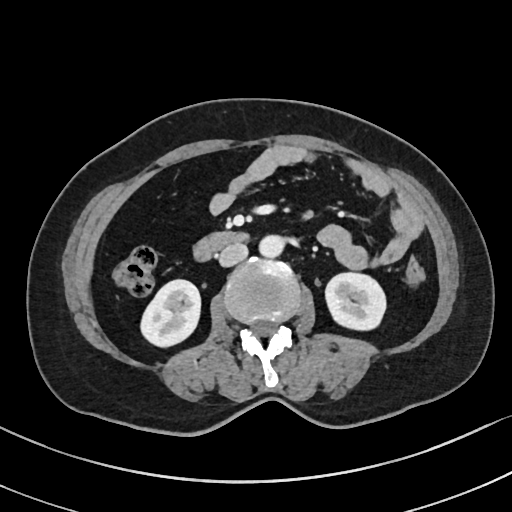

Computed tomography, abdomen; axial view; soft-tissue window (W 400 / L 40); SOMATOM Force scanner; 14 organs annotated in this scan (a whole-scan count: organs this slice does not pass through have no box)
Coordinates as <box>x1,y1,x2,y2</box> in pixels. Labeled organs on this slice: left kidney at <box>325,272,386,329</box>, inferior vena cava at <box>219,243,247,266</box>, duodenum at <box>193,231,248,261</box>, aorta at <box>259,235,284,257</box>, right kidney at <box>141,279,200,346</box>.